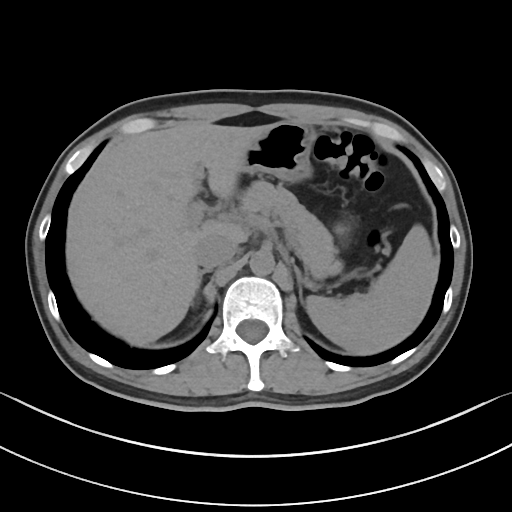 CT abdomen; axial view; 512x512 px
Boxes: x1:y1:x2:y2 in pixels. The annotated organs in this slice are: spleen at 306:224:439:354, liver at 65:124:272:345, stomach at 240:121:315:182, aorta at 249:250:274:275, inferior vena cava at 194:233:238:270, pancreas at 240:180:341:278, right adrenal gland at 197:269:209:292, left adrenal gland at 294:265:304:304.